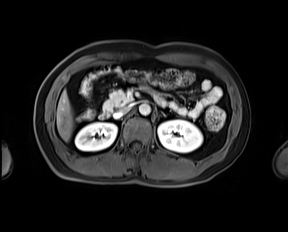 MRI, abdomen · axial view · percentile-normalized · 288x232 px
Boxes: x1:y1:x2:y2 in pixels. The annotated organs in this slice are: right kidney at 75:122:117:151, left kidney at 158:120:202:152, liver at 56:90:73:141, aorta at 139:104:150:115, inferior vena cava at 113:106:130:118, pancreas at 103:87:155:112, left adrenal gland at 162:112:166:116, duodenum at 99:112:109:119.